CT abdomen; axial plane, index 62; abdomen soft-tissue window; Brilliance16 scanner; 15 organs annotated in this scan (that count is for the whole scan; organs this slice misses have no box)
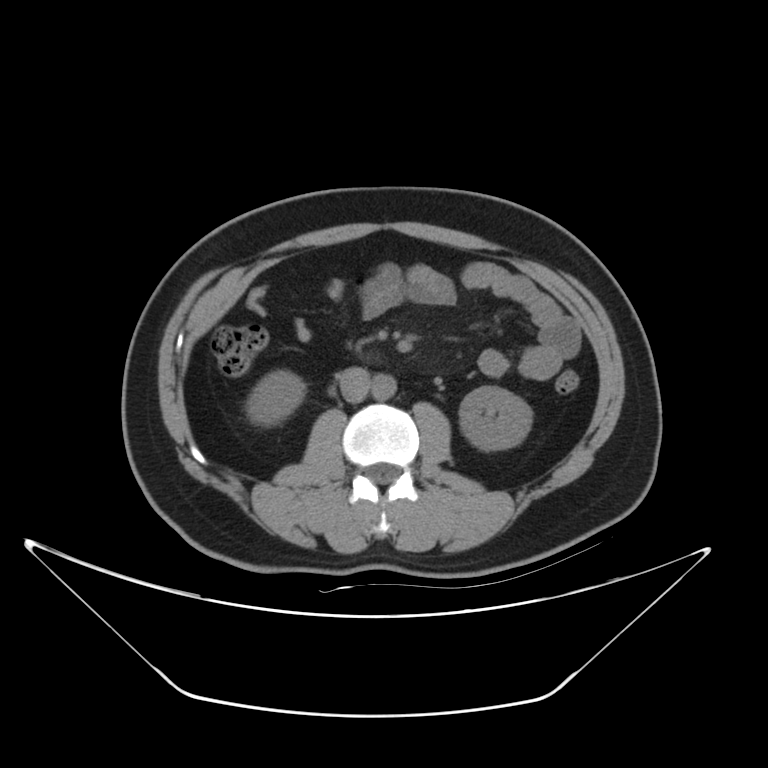 Boxes: x1 y1 x2 y2 (pixel coords, space-separated).
right kidney: 246 370 304 423
left kidney: 459 387 531 450
aorta: 371 374 396 400
inferior vena cava: 338 366 370 402